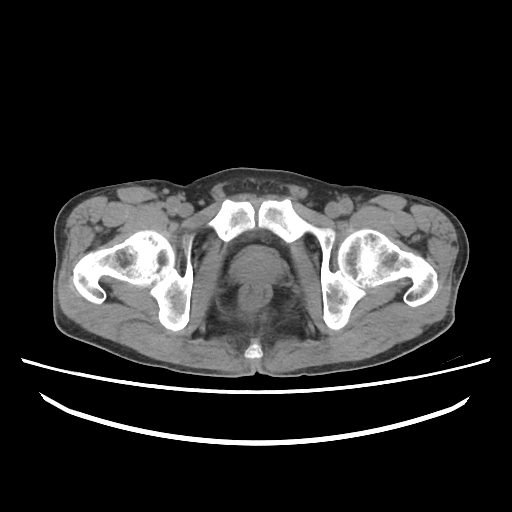

Abdominal CT; axial view; soft-tissue window (W 400 / L 40); 512x512 px
Box edges are left/top/right/bottom in pixels. 1 labeled organ on this slice — prostate/uterus at left=230, top=252, right=284, bottom=282.